Computed tomography, abdomen · axial view
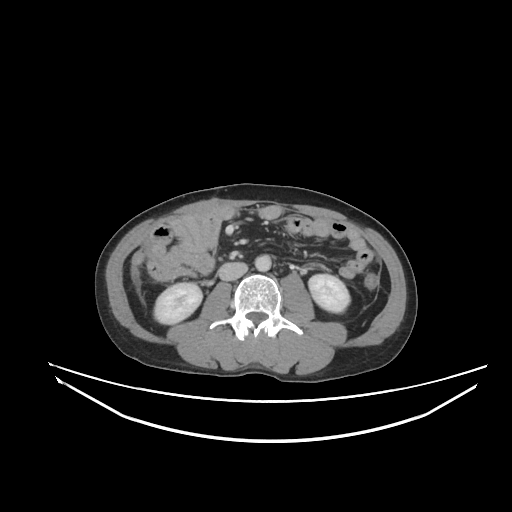
Each box given as x1,y1,x2,y2.
Organ bounding boxes:
- left kidney: x1=308, y1=274, x2=350, y2=312
- right kidney: x1=154, y1=283, x2=202, y2=324
- aorta: x1=254, y1=254, x2=271, y2=271
- inferior vena cava: x1=218, y1=262, x2=247, y2=280